CT, abdomen/pelvis · Axial slice 58/104 · 768x768 px · 53-year-old male patient
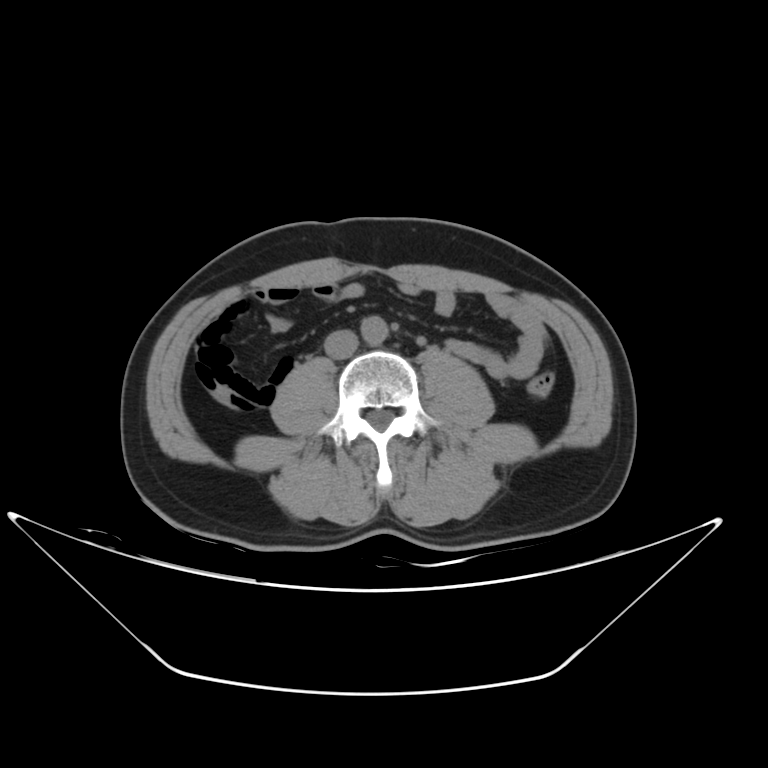

Each box given as x1,y1,x2,y2. The annotated organs in this slice are: aorta at x1=360, y1=317, x2=387, y2=343, inferior vena cava at x1=323, y1=329, x2=356, y2=359.